Abdominal CT. axial view. soft-tissue window (W 400 / L 40)
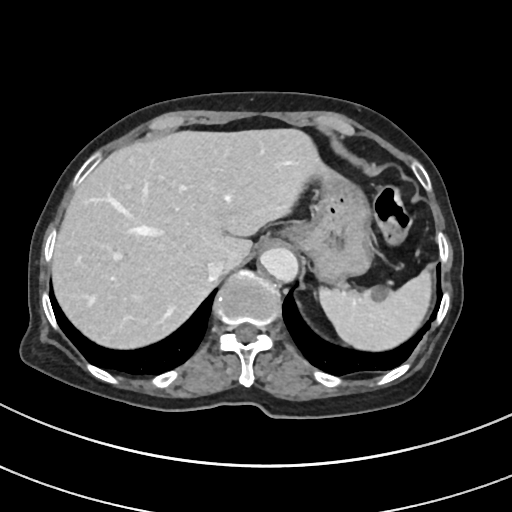

Bounding boxes in pixels, one row per box: x1, y1 is the top-left corner and x2, y2 the bottom-right.
| organ | x1 | y1 | x2 | y2 |
|---|---|---|---|---|
| liver | 51 | 128 | 325 | 349 |
| spleen | 319 | 269 | 432 | 350 |
| aorta | 259 | 247 | 297 | 282 |
| stomach | 286 | 168 | 371 | 283 |
| inferior vena cava | 205 | 259 | 224 | 279 |